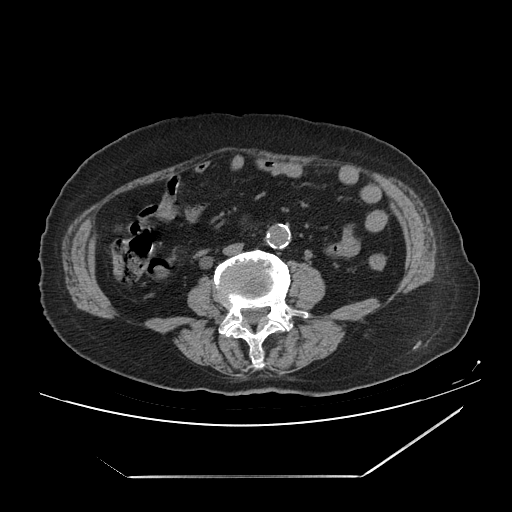

Computed tomography, abdomen · axial view · W/L 400/40 HU · 512x512 px · 15 organs annotated in this scan (that count is for the whole scan; organs this slice misses have no box)
<organs><organ name="inferior vena cava" x1="223" y1="243" x2="243" y2="255"/><organ name="aorta" x1="266" y1="224" x2="290" y2="248"/></organs>